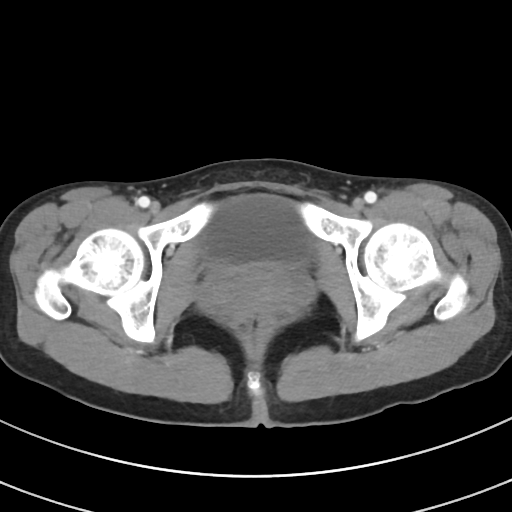
Computed tomography, abdomen. axial view. 512x512 px
Box edges are left/top/right/bottom in pixels. Labeled organs on this slice: bladder at left=200, top=195, right=314, bottom=266, prostate/uterus at left=211, top=266, right=298, bottom=310.